CT, abdomen/pelvis · axial view · 512x512 px
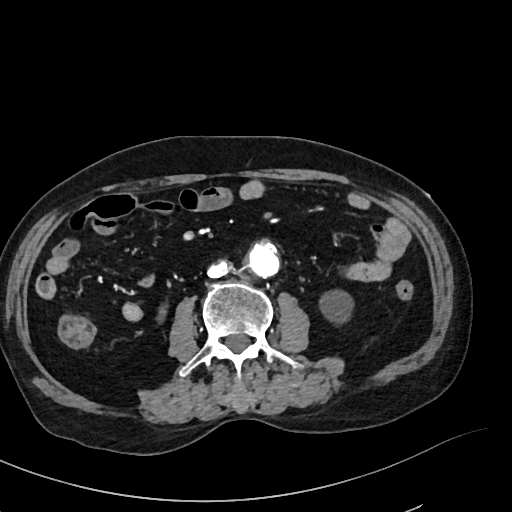
Bounding boxes in pixels, one row per box: x1, y1 is the top-left corner and x2, y2 the bottom-right.
| organ | x1 | y1 | x2 | y2 |
|---|---|---|---|---|
| left kidney | 317 | 287 | 355 | 327 |
| aorta | 248 | 245 | 279 | 279 |
| inferior vena cava | 207 | 261 | 232 | 278 |